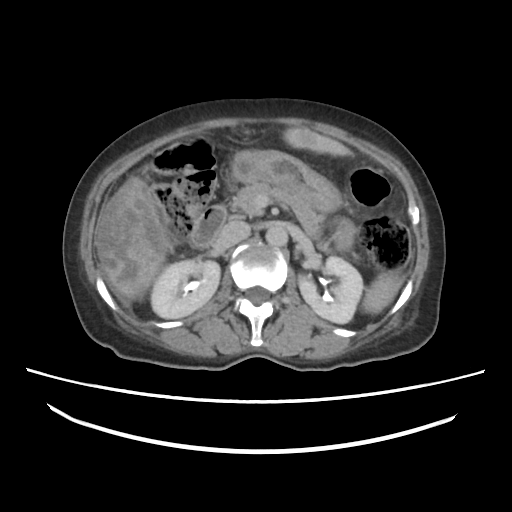 CT abdomen; axial view; Aquilion ONE scanner; scan has 15 labeled organs (counted over the whole 3D scan, not this slice; an organ is boxed only where this slice passes through it)
Box edges are left/top/right/bottom in pixels. 9 labeled organs on this slice — aorta at left=266, top=223, right=288, bottom=245; pancreas at left=232, top=181, right=322, bottom=240; spleen at left=362, top=273, right=401, bottom=314; right kidney at left=151, top=259, right=219, bottom=318; duodenum at left=190, top=208, right=226, bottom=247; liver at left=94, top=127, right=353, bottom=300; left kidney at left=299, top=255, right=363, bottom=323; stomach at left=226, top=150, right=346, bottom=214; inferior vena cava at left=216, top=219, right=250, bottom=249.